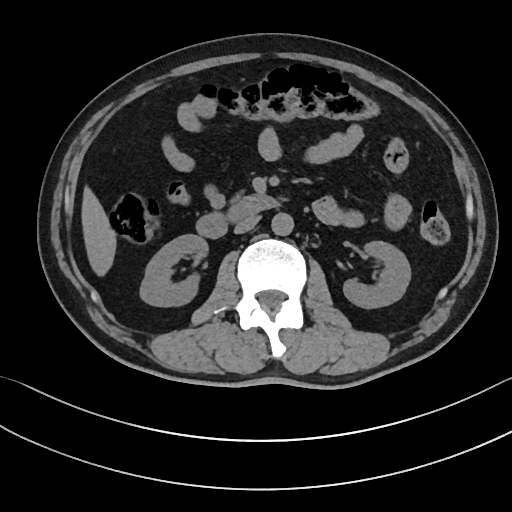 CT, abdomen/pelvis · axial plane, index 142
One row per box, in pixels: columns x1 and y1 give the top-left corner, x2 and y2 the bottom-right.
| organ | x1 | y1 | x2 | y2 |
|---|---|---|---|---|
| right kidney | 140 | 234 | 208 | 305 |
| left kidney | 344 | 241 | 411 | 307 |
| liver | 82 | 190 | 115 | 274 |
| aorta | 271 | 212 | 293 | 235 |
| inferior vena cava | 234 | 215 | 260 | 233 |
| duodenum | 195 | 195 | 278 | 238 |